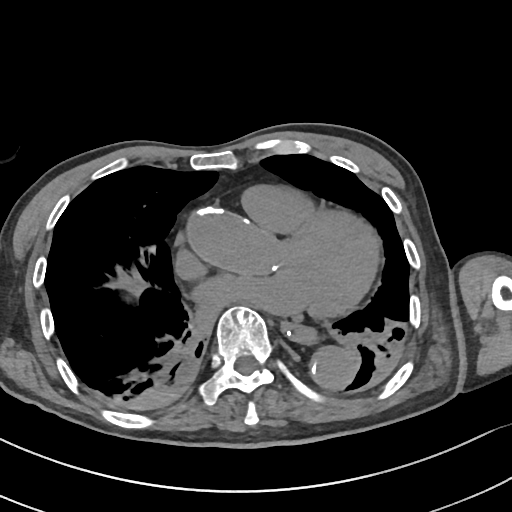
CT, abdomen/pelvis. axial view. soft-tissue window. acquired on SOMATOM Force
Box edges are left/top/right/bottom in pixels. Labeled organs on this slice: esophagus at left=281, top=324, right=316, bottom=342, liver at left=113, top=265, right=146, bottom=294, aorta at left=311, top=348, right=353, bottom=386.